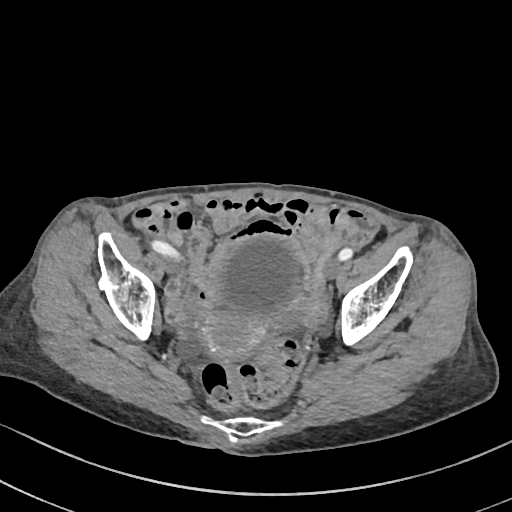
Computed tomography, abdomen · Axial slice 75/236 · soft-tissue window · acquired on SOMATOM Force
<organs><organ name="bladder" x1="218" y1="236" x2="299" y2="315"/><organ name="prostate/uterus" x1="202" y1="311" x2="263" y2="361"/></organs>